CT abdomen; Axial slice 136/303; 512x512 px
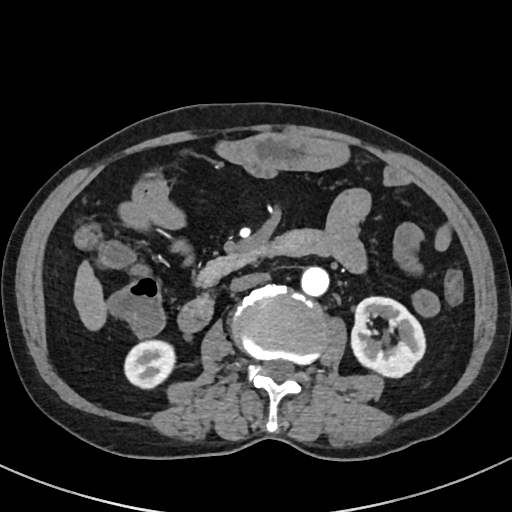 Bounding boxes as [x1, y1, x2, y2] in pixel coordinates. Labeled organs on this slice: right kidney at [124, 340, 175, 387], left kidney at [350, 296, 426, 378], liver at [72, 257, 108, 334], aorta at [300, 267, 328, 297], inferior vena cava at [230, 273, 269, 291], pancreas at [196, 250, 255, 289], duodenum at [176, 230, 327, 333].